CT abdomen · axial view · W/L 400/40 HU · 63-year-old female patient · Brilliance16 scanner
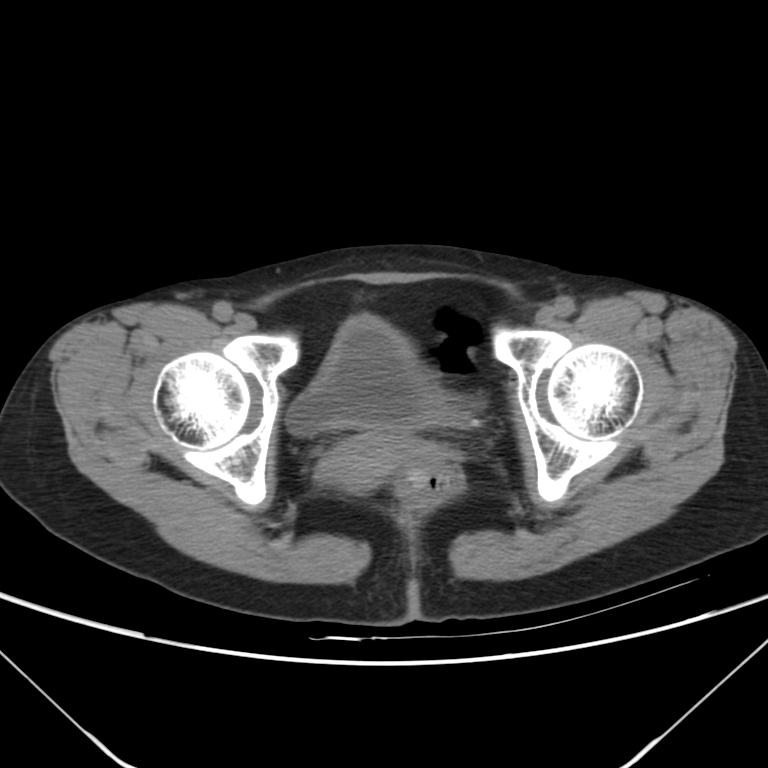
One row per box, in pixels: columns x1 and y1 give the top-left corner, x2 and y2 the bottom-right.
| organ | x1 | y1 | x2 | y2 |
|---|---|---|---|---|
| bladder | 286 | 316 | 470 | 435 |
| prostate/uterus | 325 | 433 | 446 | 489 |